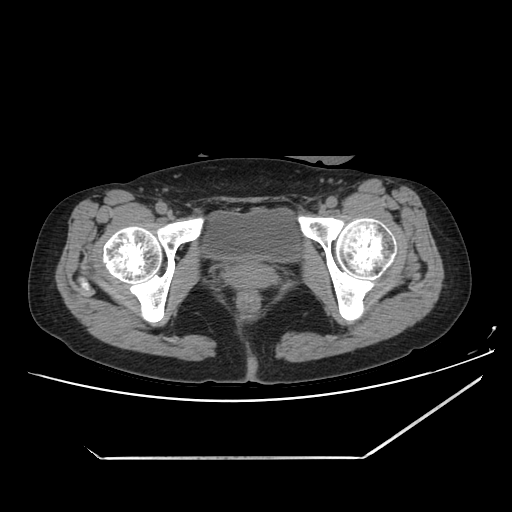
CT, abdomen/pelvis; axial view; soft-tissue window (W 400 / L 40)
Coordinates as <box>x1,y1,x2,y2</box> in pixels.
bladder: <box>201,208,301,261</box>
prostate/uterus: <box>224,258,277,290</box>